Computed tomography, abdomen · axial view · abdomen soft-tissue window
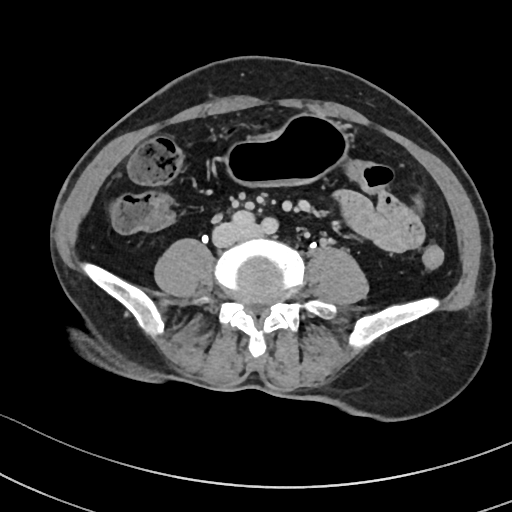

<organs><organ name="inferior vena cava" x1="214" y1="223" x2="250" y2="246"/><organ name="stomach" x1="225" y1="113" x2="348" y2="186"/></organs>